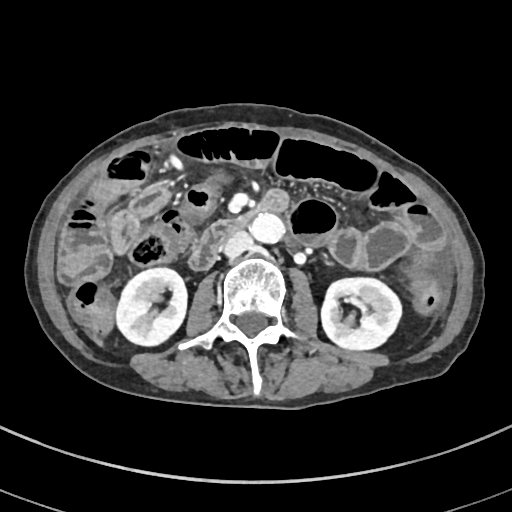
Abdominal CT · Axial slice 107/198 · 14 organs annotated in this scan (that count is for the whole scan; organs this slice misses have no box)
Bounding boxes in pixels, one row per box: x1, y1 is the top-left corner and x2, y2 the bottom-right.
| organ | x1 | y1 | x2 | y2 |
|---|---|---|---|---|
| right kidney | 116 | 267 | 187 | 346 |
| left kidney | 321 | 278 | 401 | 350 |
| aorta | 249 | 214 | 284 | 243 |
| inferior vena cava | 220 | 231 | 252 | 258 |
| duodenum | 188 | 188 | 290 | 269 |